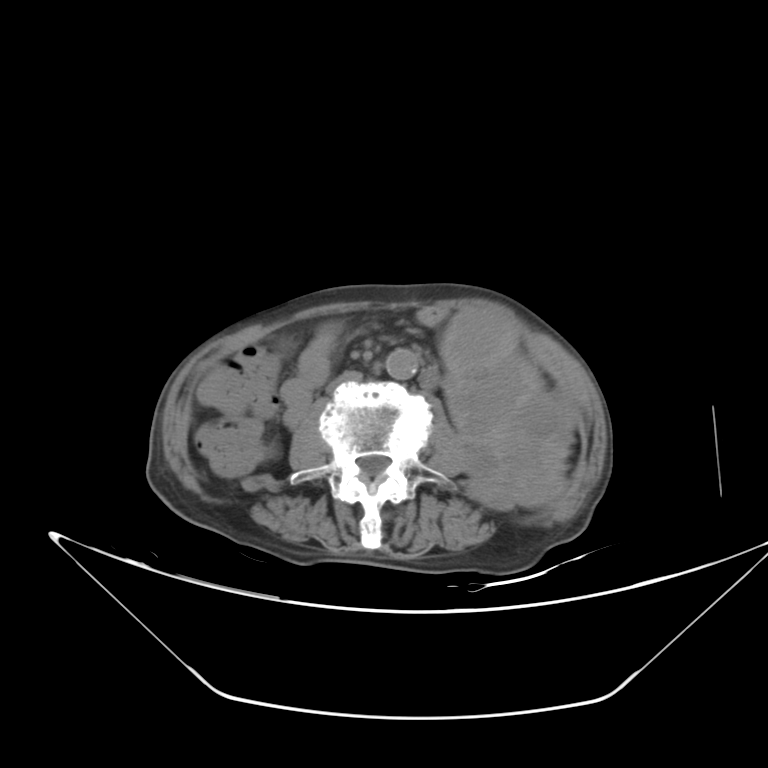

CT, abdomen/pelvis · axial view · soft-tissue window · male patient aged 90 or older
Box edges are left/top/right/bottom in pixels. The annotated organs in this slice are: aorta at left=384, top=347, right=417, bottom=380, inferior vena cava at left=324, top=372, right=360, bottom=393, left kidney at left=437, top=310, right=575, bottom=509.